CT, abdomen/pelvis · axial view · 512x512 px
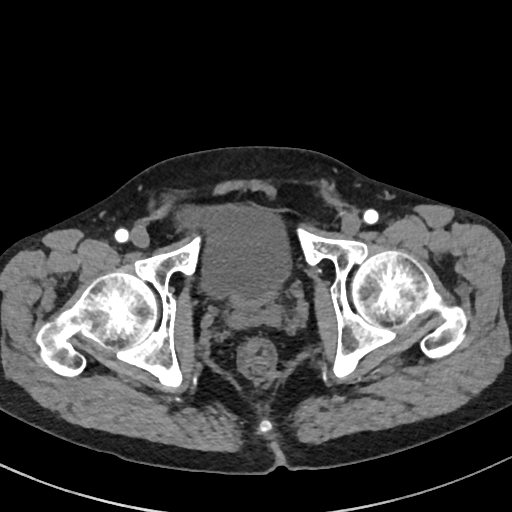

Boxes: x1 y1 x2 y2 (pixel coords, space-separated). 1 labeled organ on this slice — bladder at 178 206 290 313.